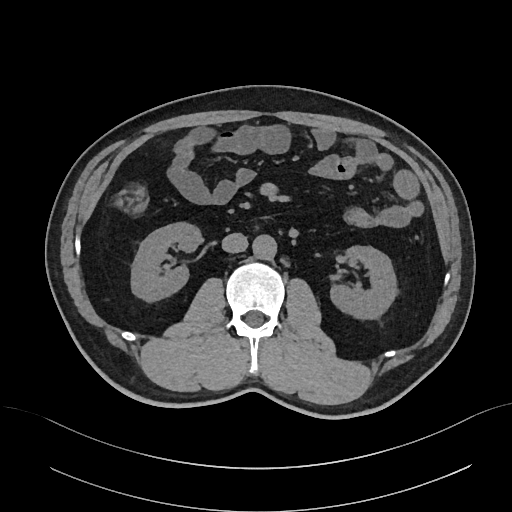
Abdominal CT. axial view. 512x512 px
Each box given as x1,y1,x2,y2.
Organ bounding boxes:
- right kidney: x1=131, y1=222, x2=201, y2=300
- left kidney: x1=330, y1=245, x2=397, y2=317
- aorta: x1=252, y1=234, x2=276, y2=259
- inferior vena cava: x1=222, y1=233, x2=248, y2=252